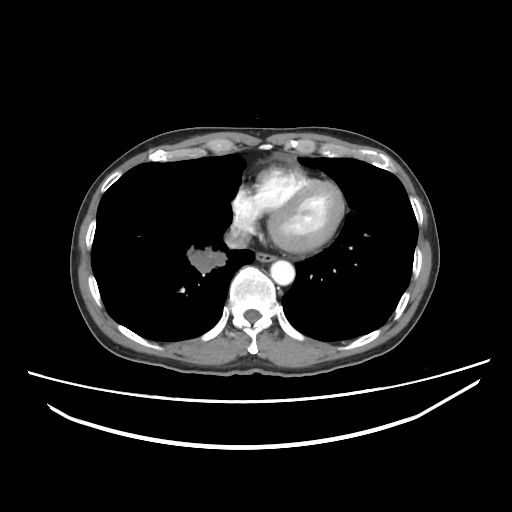
CT of the abdomen reaching into the lower chest, slice just above the liver and spleen — axial view — 512x512 px — 63-year-old male patient
No part of the heart or lungs is labeled in this dataset, so neither has a box here.
{"organs":{"inferior vena cava":[224,225,250,248],"esophagus":[256,252,276,262],"aorta":[270,260,295,285]}}